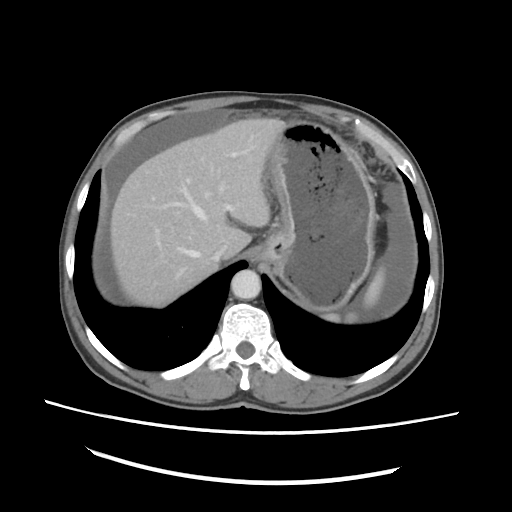 CT, abdomen/pelvis — axial view — soft-tissue window (W 400 / L 40)
Each box given as x1,y1,x2,y2.
Organ bounding boxes:
- spleen: x1=322, y1=266, x2=385, y2=322
- stomach: x1=257, y1=120, x2=375, y2=311
- liver: x1=110, y1=118, x2=286, y2=307
- inferior vena cava: x1=211, y1=241, x2=233, y2=261
- aorta: x1=231, y1=269, x2=260, y2=299